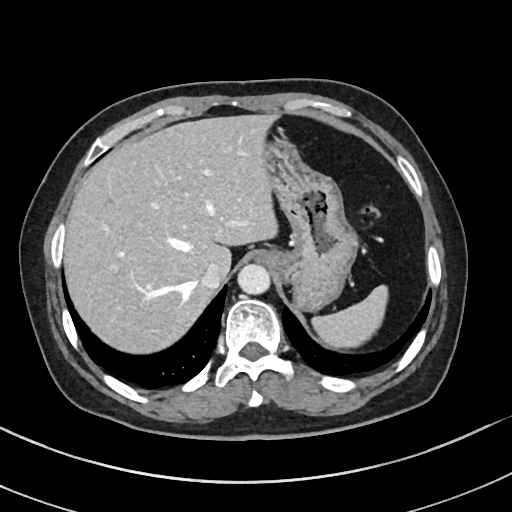

CT, abdomen/pelvis. axial plane, index 203. W/L 400/40 HU
Boxes: x1 y1 x2 y2 (pixel coords, space-separated).
Organ bounding boxes:
- spleen: 312 285 388 348
- liver: 64 114 277 353
- stomach: 260 126 357 310
- aorta: 237 264 270 294
- inferior vena cava: 200 262 226 289